Abdominal MR. coronal view
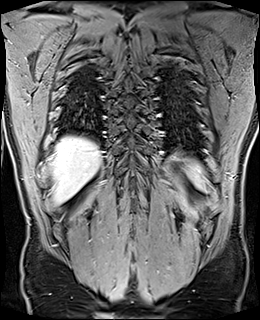
<organs><organ name="spleen" x1="187" y1="160" x2="203" y2="186"/><organ name="liver" x1="51" y1="137" x2="101" y2="203"/></organs>